Computed tomography, abdomen · axial view · W/L 400/40 HU · 54-year-old female patient · 15 organs annotated in this scan (counted over the whole 3D scan, not this slice; an organ is boxed only where this slice passes through it)
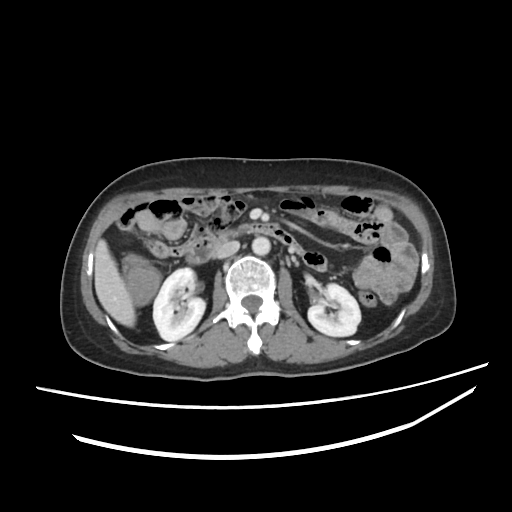 Organ boxes in pixel coordinates; each row gives the top-left (x1, y1) and bottom-right (x2, y2) corners.
| organ | x1 | y1 | x2 | y2 |
|---|---|---|---|---|
| left kidney | 308 | 283 | 360 | 336 |
| inferior vena cava | 215 | 241 | 239 | 258 |
| right kidney | 153 | 268 | 205 | 341 |
| duodenum | 186 | 224 | 302 | 263 |
| aorta | 252 | 236 | 270 | 255 |
| liver | 94 | 239 | 135 | 326 |